Computed tomography, abdomen. axial view. 512x512 px
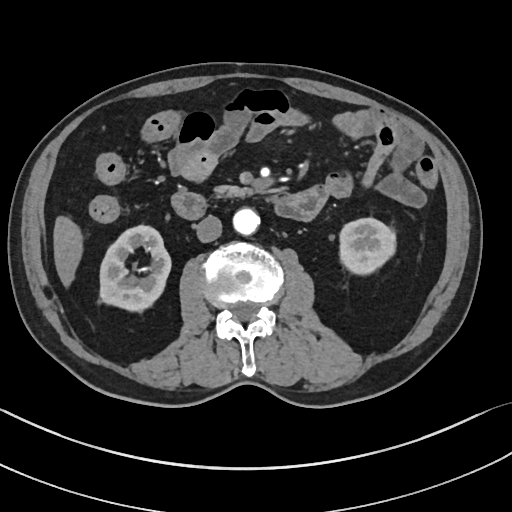 Each box given as x1,y1,x2,y2.
right kidney: x1=98, y1=225, x2=171, y2=308
left kidney: x1=339, y1=217, x2=396, y2=274
liver: x1=53, y1=214, x2=82, y2=287
aorta: x1=232, y1=209, x2=260, y2=236
inferior vena cava: x1=195, y1=215, x2=221, y2=242
pancreas: x1=212, y1=185, x2=260, y2=199
duodenum: x1=171, y1=183, x2=329, y2=221